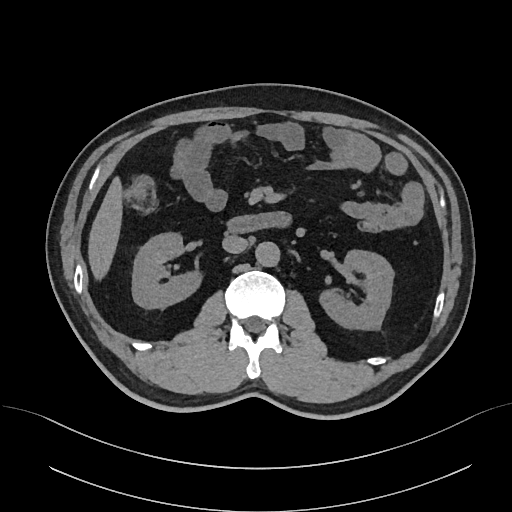
Computed tomography, abdomen · axial view · W/L 400/40 HU · 512x512 px
Each box given as x1,y1,x2,y2. 6 labeled organs on this slice — right kidney at x1=132, y1=232, x2=202, y2=308; left kidney at x1=319, y1=250, x2=393, y2=329; liver at x1=88, y1=177, x2=122, y2=279; aorta at x1=255, y1=242, x2=279, y2=266; inferior vena cava at x1=222, y1=235, x2=248, y2=253; duodenum at x1=227, y1=211, x2=291, y2=233.